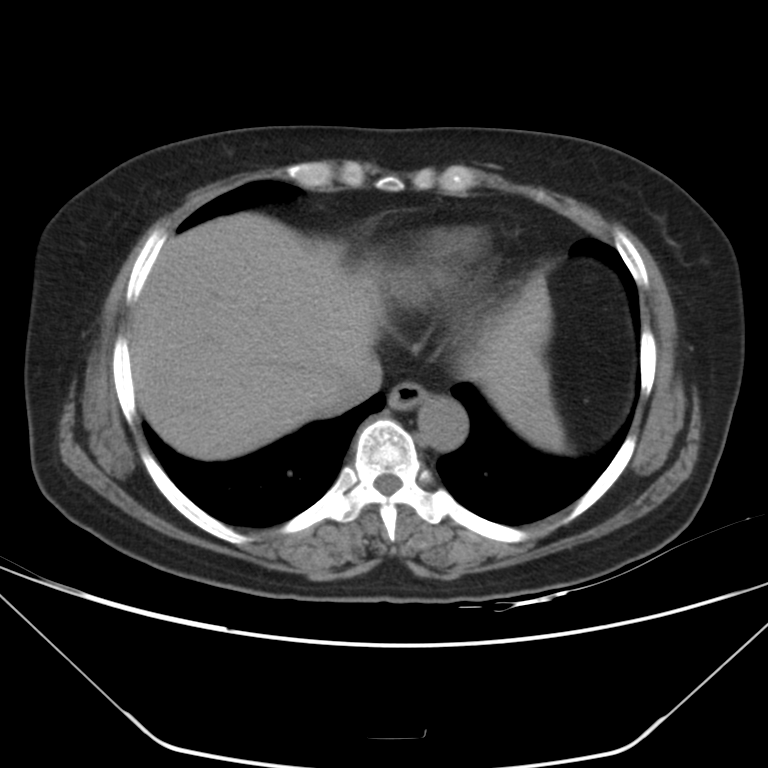 CT abdomen — axial view — W/L 400/40 HU — 768x768 px — 15 organs annotated in this scan (counted over the whole 3D scan, not this slice; an organ is boxed only where this slice passes through it)
One row per box, in pixels: columns x1 and y1 give the top-left corner, x2 and y2 the bottom-right.
| organ | x1 | y1 | x2 | y2 |
|---|---|---|---|---|
| liver | 130 | 212 | 550 | 459 |
| inferior vena cava | 319 | 357 | 382 | 413 |
| aorta | 418 | 396 | 468 | 451 |
| stomach | 510 | 388 | 565 | 449 |
| esophagus | 388 | 382 | 428 | 410 |